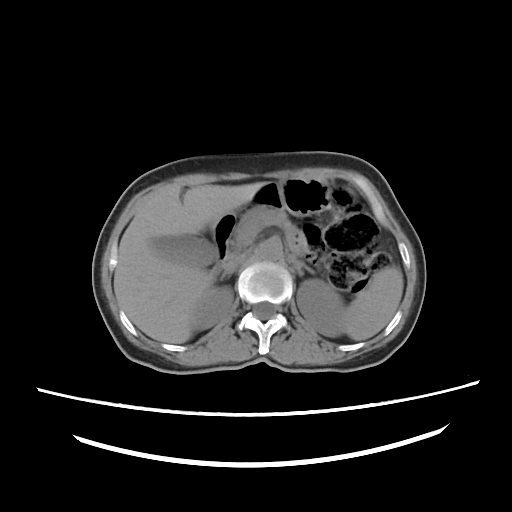

CT, abdomen/pelvis — axial view — abdomen soft-tissue window — 58-year-old female patient
Boxes are (x1, y1, x2, y2) in pixels. 12 labeled organs on this slice — duodenum at (212, 213, 235, 274); spleen at (344, 269, 403, 340); stomach at (252, 178, 330, 216); pancreas at (232, 207, 289, 250); inferior vena cava at (224, 252, 249, 270); aorta at (257, 240, 282, 260); right kidney at (191, 286, 233, 329); left adrenal gland at (295, 261, 314, 277); gall bladder at (152, 235, 216, 266); right adrenal gland at (219, 269, 234, 280); liver at (113, 182, 264, 343); left kidney at (297, 279, 345, 336).